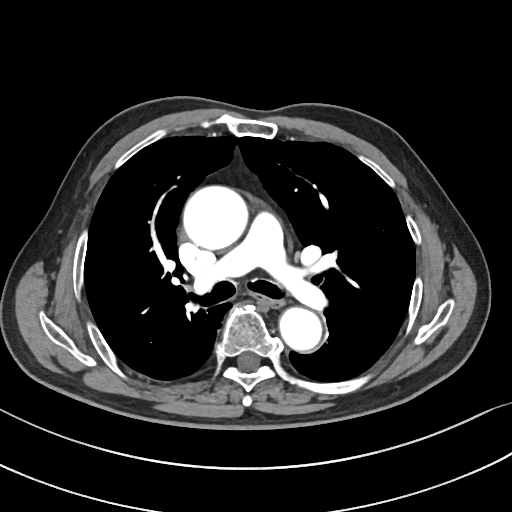
Chest-level slice from an abdominal CT that extends up into the chest — axial view — 512x512 px
At this level of the chest this dataset labels only the esophagus and the aorta, and each is boxed only where it is labeled; the heart and lungs are never labeled.
{"organs":{"esophagus":[253,294,282,307],"aorta":[[184,186,249,249],[279,306,321,350]]}}